CT abdomen — axial view — soft-tissue window — 768x768 px — scan has 15 labeled organs (that count is for the whole scan; organs this slice misses have no box)
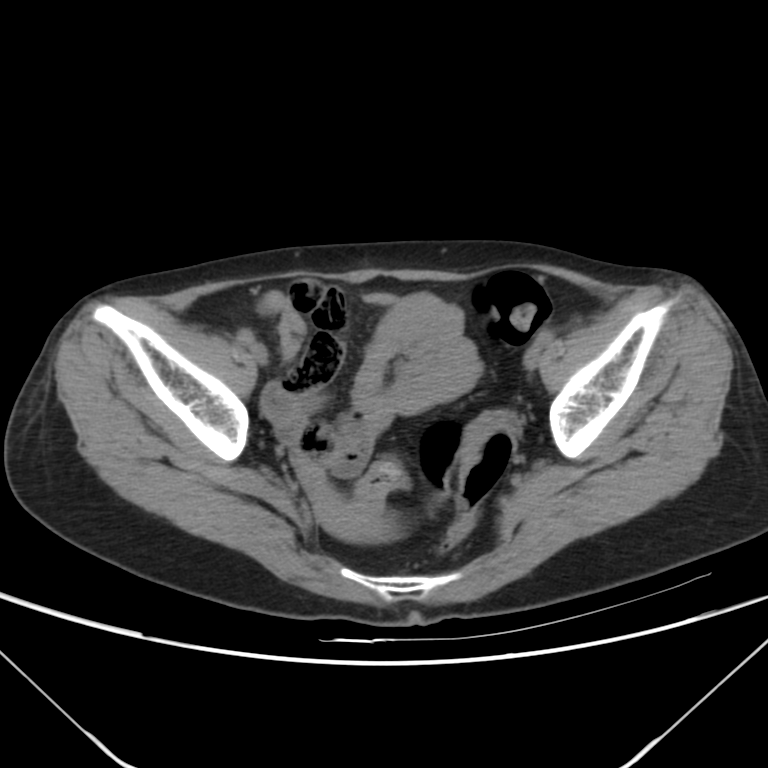

Box edges are left/top/right/bottom in pixels.
prostate/uterus: left=309, top=485, right=385, bottom=542